Chest-level CT slice, above the liver and spleen; axial view; W/L 400/40 HU; acquired on SOMATOM Force; scan has 15 labeled organs (that count is for the whole scan; organs this slice misses have no box)
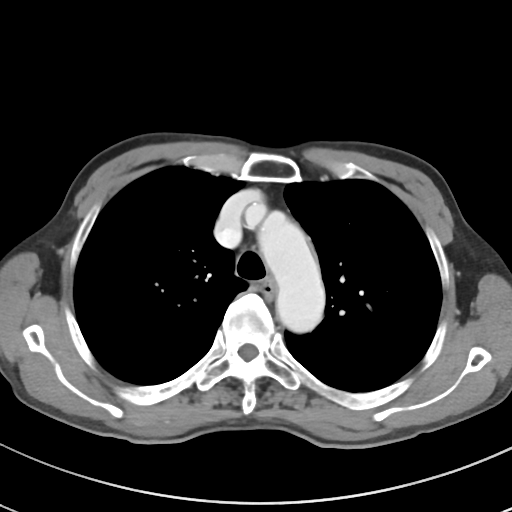 On a slice this high in the chest, this dataset labels only the esophagus and the aorta, and each is boxed only where it is labeled; the heart, lungs and other chest structures are not labeled.
Each box given as x1,y1,x2,y2.
esophagus: x1=261, y1=279, x2=276, y2=296
aorta: x1=257, y1=211, x2=324, y2=332